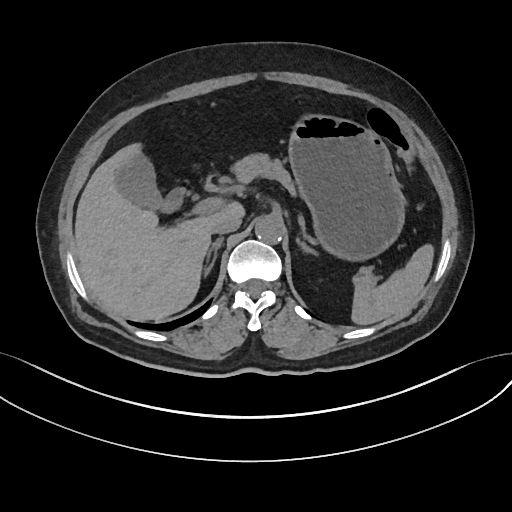

CT, abdomen/pelvis · axial view · W/L 400/40 HU · SOMATOM Force scanner
Bounding boxes as [x1, y1, x2, y2] in pixel coordinates.
Organ bounding boxes:
- liver: [75, 146, 244, 320]
- right adrenal gland: [202, 236, 223, 277]
- left adrenal gland: [295, 234, 317, 253]
- pancreas: [234, 152, 370, 281]
- spleen: [352, 242, 434, 324]
- gall bladder: [114, 147, 184, 215]
- stomach: [288, 113, 403, 258]
- aorta: [255, 215, 284, 241]
- inferior vena cava: [211, 214, 240, 232]